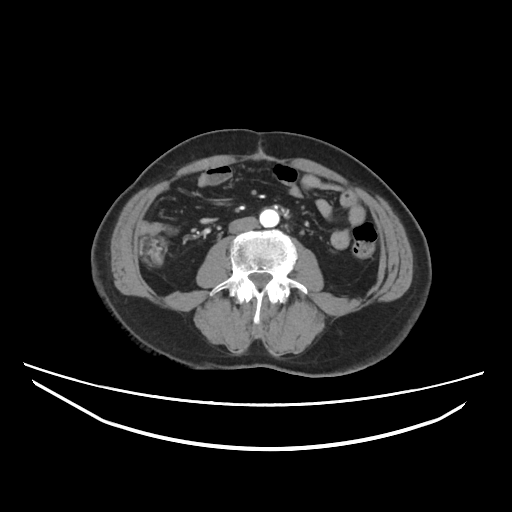

Computed tomography, abdomen — axial view — W/L 400/40 HU — 512x512 px — 58-year-old male patient
Each box given as x1,y1,x2,y2.
aorta: x1=259, y1=208, x2=279, y2=227
inferior vena cava: x1=228, y1=216, x2=257, y2=232